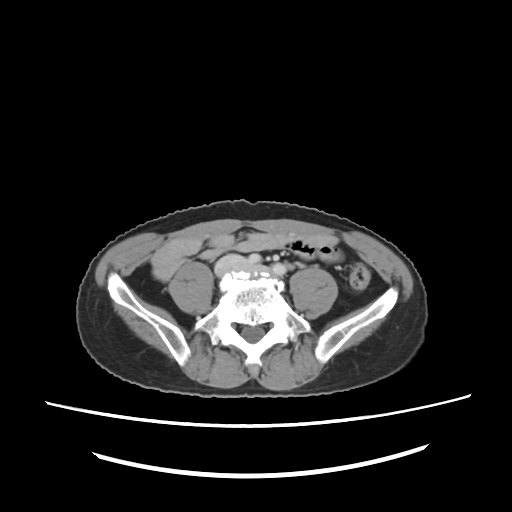

Abdominal CT; axial view; abdomen soft-tissue window; 512x512 px
Each box given as x1,y1,x2,y2. 1 labeled organ on this slice — inferior vena cava at x1=215, y1=253, x2=249, y2=276.